CT abdomen; axial view; 512x512 px; SOMATOM Force scanner; scan has 15 labeled organs (that count is for the whole scan; organs this slice misses have no box)
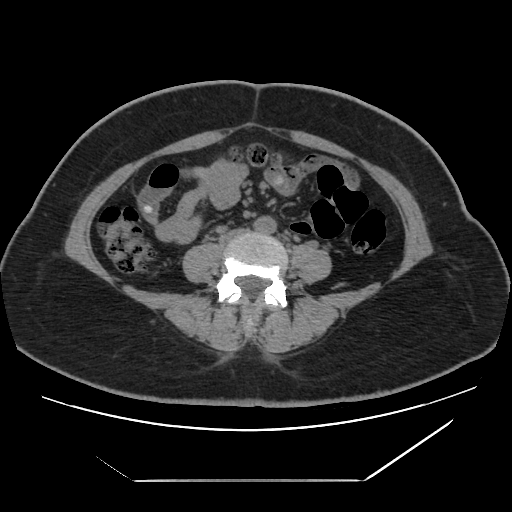
{"organs":{"aorta":[255,215,276,233],"inferior vena cava":[220,228,248,242]}}